Computed tomography, abdomen · Axial slice 52/89 · abdomen soft-tissue window · 768x768 px · 40-year-old male patient · acquired on Brilliance16
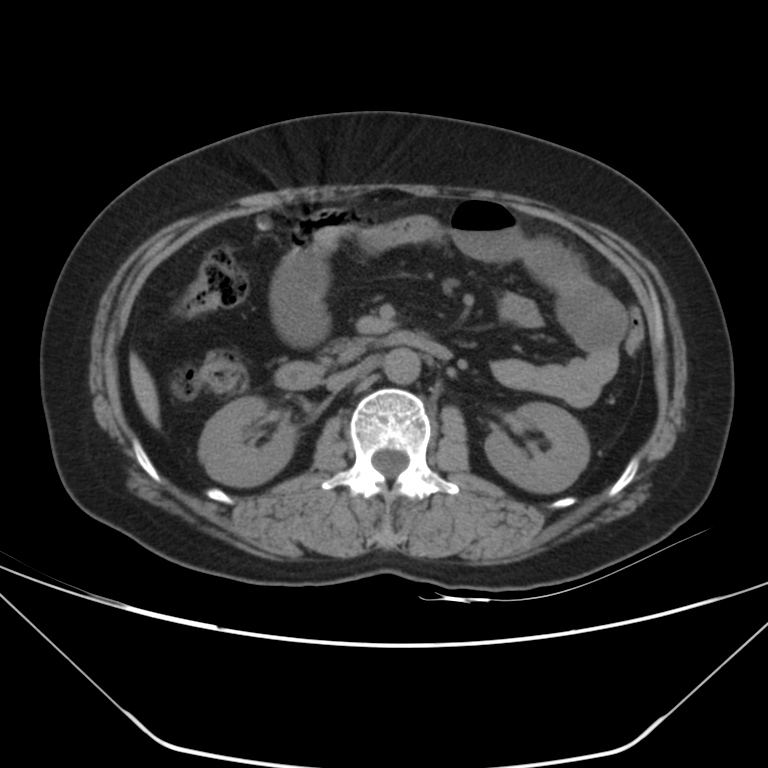

{"organs":{"right kidney":[199,396,297,486],"left kidney":[485,403,589,492],"liver":[128,354,160,427],"aorta":[383,349,420,384],"inferior vena cava":[326,363,364,390],"pancreas":[321,337,367,364],"duodenum":[275,331,451,389]}}